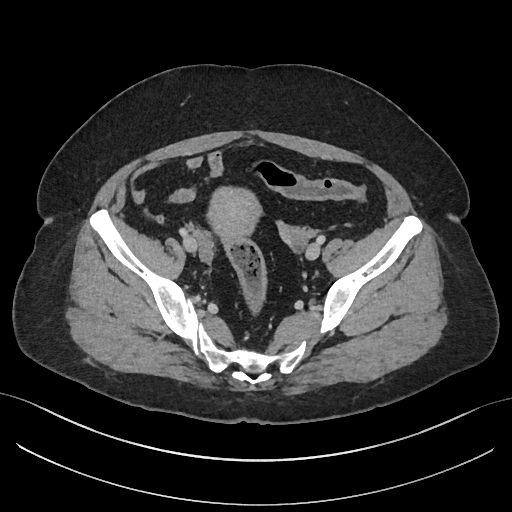 Abdominal CT — axial view
Bounding boxes in pixels, one row per box: x1, y1 is the top-left corner and x2, y2 the bottom-right.
| organ | x1 | y1 | x2 | y2 |
|---|---|---|---|---|
| prostate/uterus | 208 | 188 | 259 | 243 |